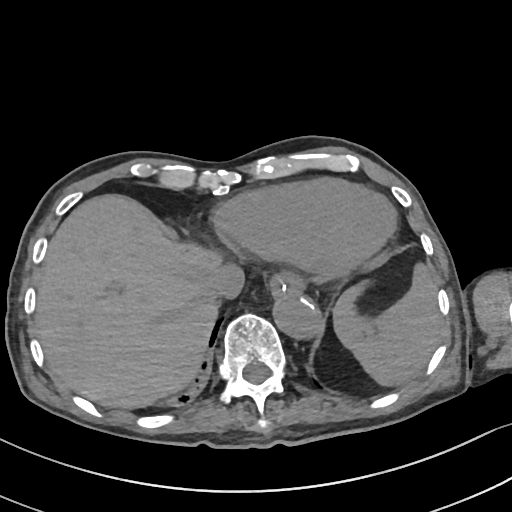

CT, abdomen/pelvis; axial view; abdomen soft-tissue window
Boxes: x1 y1 x2 y2 (pixel coords, space-separated). The annotated organs in this slice are: spleen at 334 264 442 385, esophagus at 268 273 304 299, liver at 36 194 221 408, aorta at 275 294 322 340, inferior vena cava at 211 266 245 300.